Computed tomography, abdomen — Axial slice 132/221 — soft-tissue window (W 400 / L 40) — 512x512 px — scan has 14 labeled organs (counted over the whole 3D scan, not this slice; an organ is boxed only where this slice passes through it)
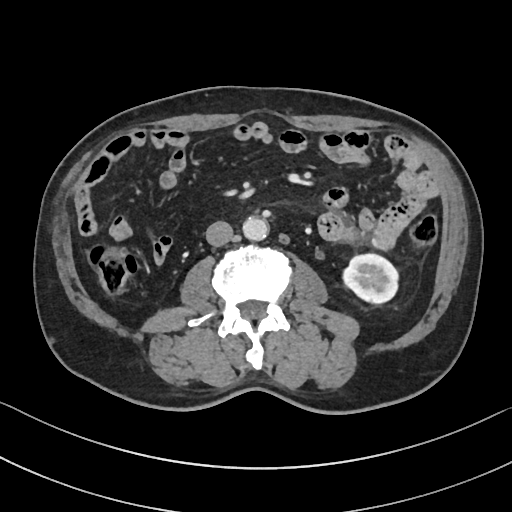
Boxes are (x1, y1, x2, y2) in pixels.
Organ bounding boxes:
- inferior vena cava: (205, 221, 233, 246)
- aorta: (242, 216, 268, 241)
- left kidney: (343, 254, 398, 303)